Abdominal CT reaching into the chest; this slice is in the chest · axial plane, index 118 · soft-tissue window · 512x512 px · scan has 15 labeled organs (a whole-scan count: organs this slice does not pass through have no box)
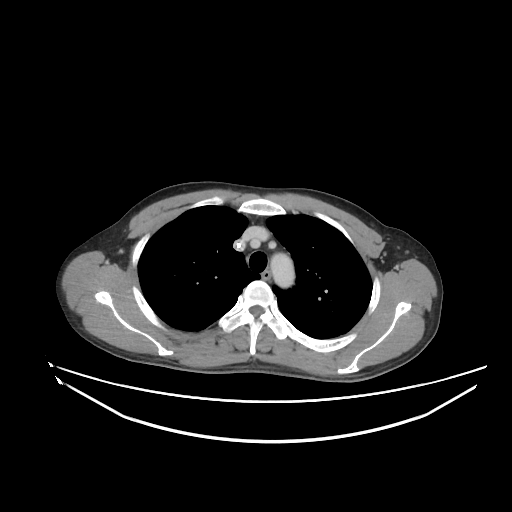 At this level of the chest this dataset labels only the esophagus and the aorta, and each is boxed only where it is labeled; the heart and lungs are never labeled.
Coordinates as <box>x1,y1,x2,y2</box> in pixels.
Organ bounding boxes:
- aorta: <box>270,252,294,288</box>
- esophagus: <box>261,270,270,279</box>